CT of the abdomen extending into the chest, slice through the chest · axial view · 512x512 px
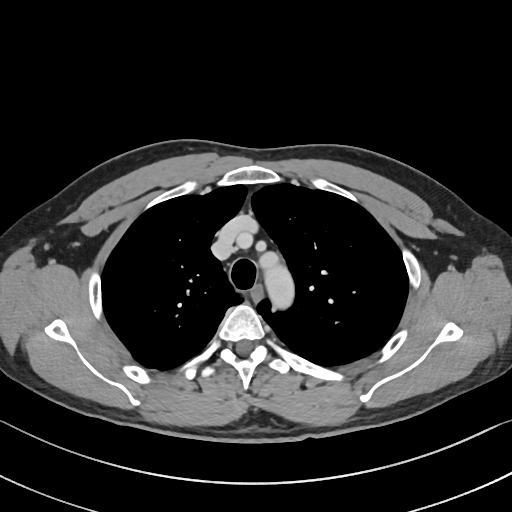

On a slice this high in the chest, this dataset labels only the esophagus and the aorta, and each is boxed only where it is labeled; the heart, lungs and other chest structures are not labeled. Coordinates as <box>x1,y1,x2,y2</box> in pixels. Labeled organs on this slice: aorta at <box>257,251,295,310</box>, esophagus at <box>252,287,262,300</box>.